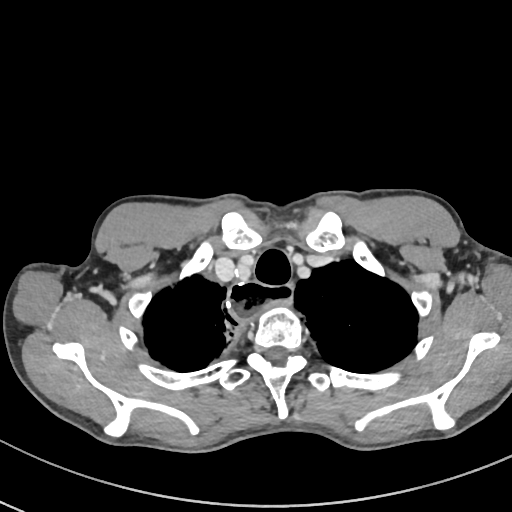

Chest-level CT slice, above the liver and spleen. axial view. soft-tissue window. 512x512 px
At this level of the chest no structure but the esophagus and the aorta has a label in this dataset, and those two are boxed only where they are labeled.
{"organs":{"esophagus":[228,281,295,320]}}